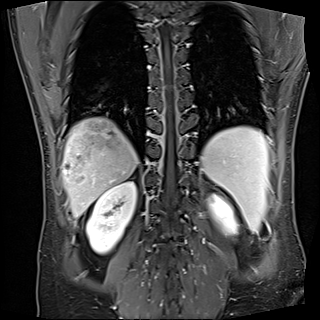

Abdominal MR; coronal view; percentile-normalized; 320x320 px; scan has 13 labeled organs (counted over the whole 3D scan, not this slice; an organ is boxed only where this slice passes through it)
Bounding boxes as [x1, y1, x2, y2] in pixel coordinates.
spleen: [201, 126, 268, 232]
right kidney: [86, 181, 136, 254]
left kidney: [209, 195, 237, 234]
liver: [62, 117, 138, 217]